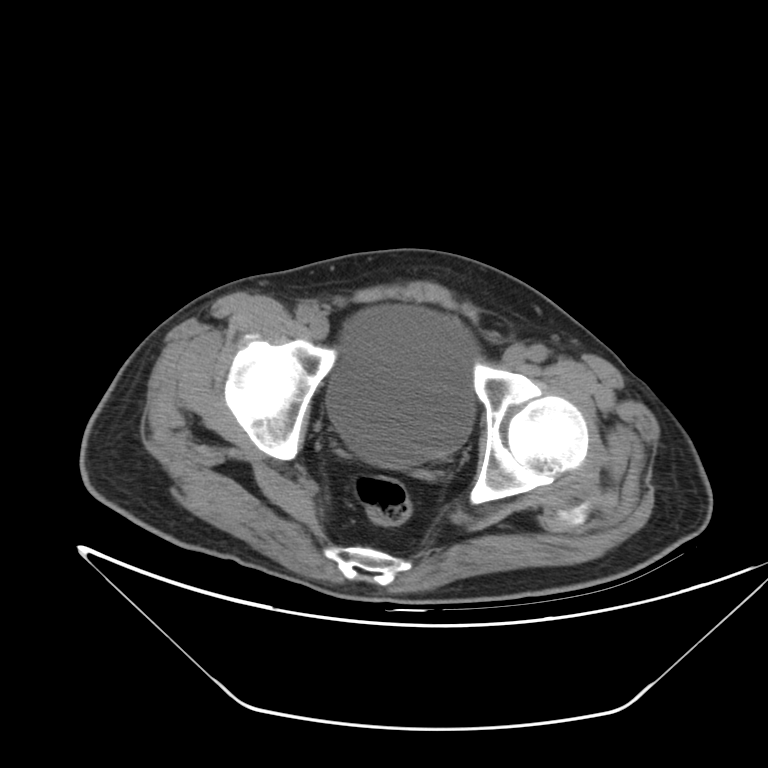
Computed tomography, abdomen; axial view; 768x768 px
Boxes: x1:y1:x2:y2 in pixels.
bladder: 327:304:473:467